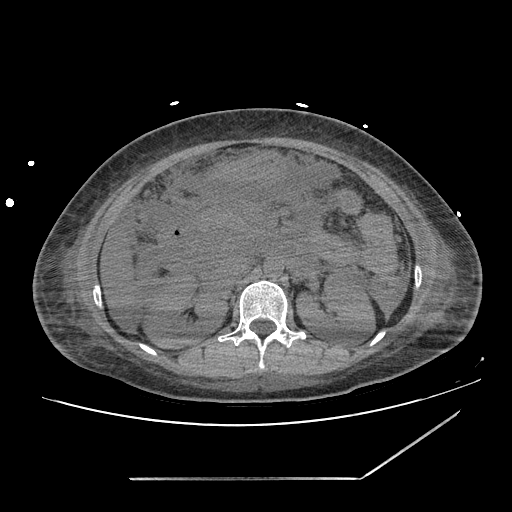 CT, abdomen/pelvis — axial view
Bounding boxes in pixels, one row per box: x1, y1 is the top-left corner and x2, y2 the bottom-right.
| organ | x1 | y1 | x2 | y2 |
|---|---|---|---|---|
| right kidney | 146 | 275 | 228 | 349 |
| left kidney | 296 | 271 | 374 | 346 |
| liver | 100 | 226 | 138 | 334 |
| stomach | 207 | 151 | 284 | 181 |
| aorta | 263 | 258 | 282 | 278 |
| inferior vena cava | 216 | 254 | 251 | 284 |
| pancreas | 200 | 203 | 249 | 241 |
| duodenum | 159 | 217 | 196 | 256 |